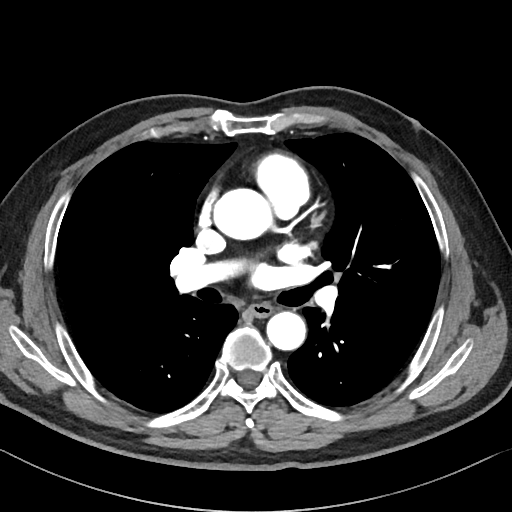

Abdominal CT; this slice is in the lower chest, just above the liver; axial plane, index 237; soft-tissue window
No part of the heart or lungs is labeled in this dataset, so neither has a box here.
{"organs":{"esophagus":[249,303,272,317],"aorta":[[211,188,269,240],[267,311,306,350]]}}